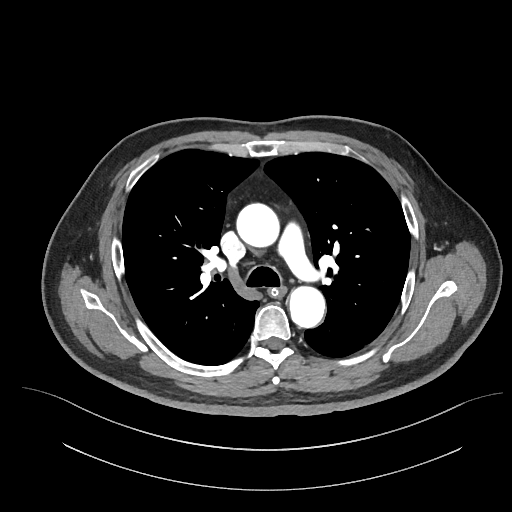

Abdominal CT reaching into the chest; this slice is in the chest — axial view — soft-tissue window — 512x512 px — scan has 15 labeled organs (counted over the whole 3D scan, not this slice; an organ is boxed only where this slice passes through it)
On a slice this high in the chest, this dataset labels only the esophagus and the aorta, and each is boxed only where it is labeled; the heart, lungs and other chest structures are not labeled. Coordinates as <box>x1,y1,x2,y2</box> in pixels. The annotated organs in this slice are: aorta at <box>236,203,279,247</box>, aorta at <box>289,286,325,327</box>, esophagus at <box>270,286,285,296</box>.